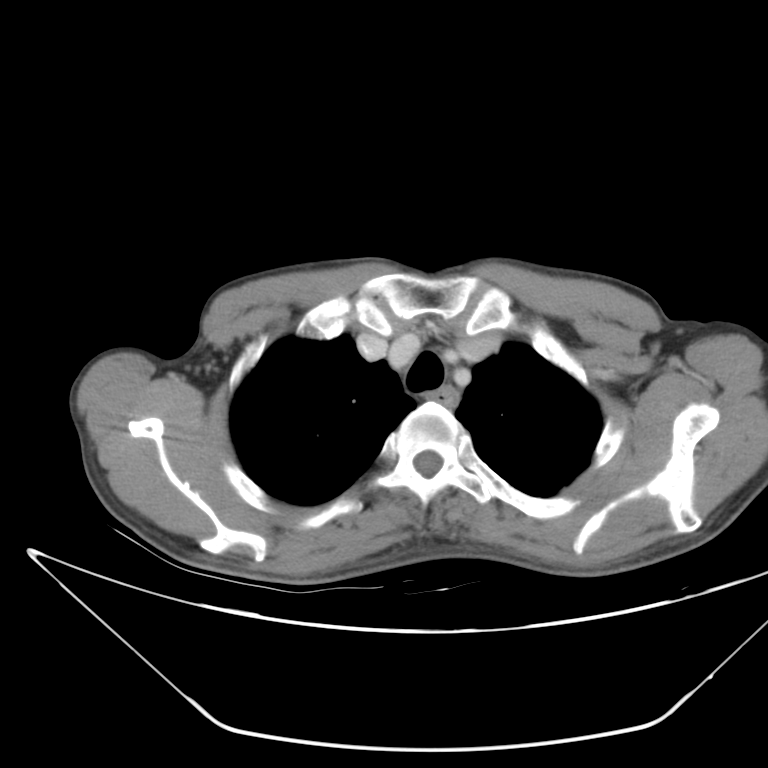

Chest-level slice from an abdominal CT that extends up into the chest · axial view · W/L 400/40 HU · 62-year-old male patient
At this level of the chest no structure but the esophagus and the aorta has a label in this dataset, and those two are boxed only where they are labeled. Boxes: x1 y1 x2 y2 (pixel coords, space-separated). The annotated organs in this slice are: esophagus at 424 384 459 407.